Computed tomography, abdomen; axial view
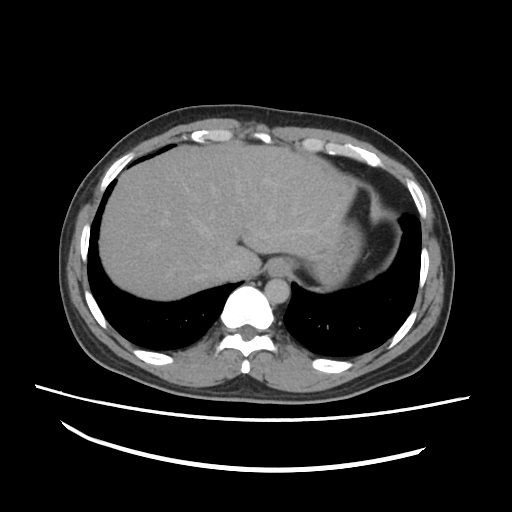
{"organs":{"esophagus":[266,259,290,276],"liver":[97,145,349,300],"stomach":[309,222,361,289],"aorta":[264,278,290,302],"inferior vena cava":[216,256,245,281]}}